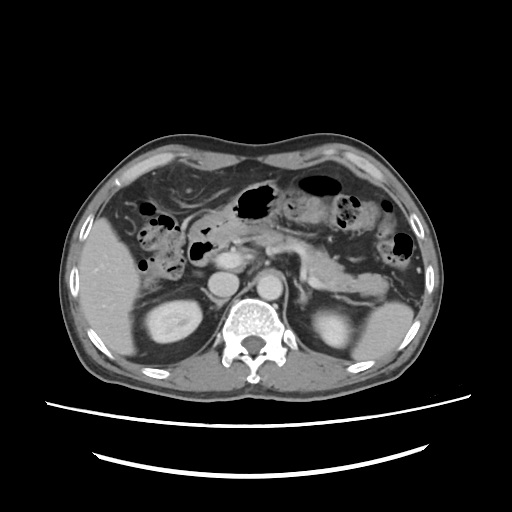

Computed tomography, abdomen — axial view — 45-year-old male patient — Aquilion ONE scanner
Boxes: x1 y1 x2 y2 (pixel coords, space-separated).
spleen: 351 303 413 362
right kidney: 144 299 202 342
left kidney: 313 311 350 348
liver: 80 217 141 354
stomach: 190 178 283 245
aorta: 257 270 283 300
inferior vena cava: 209 272 239 296
pancreas: 249 230 388 304
right adrenal gland: 201 288 227 308
left adrenal gland: 293 280 310 304
duodenum: 189 241 224 266